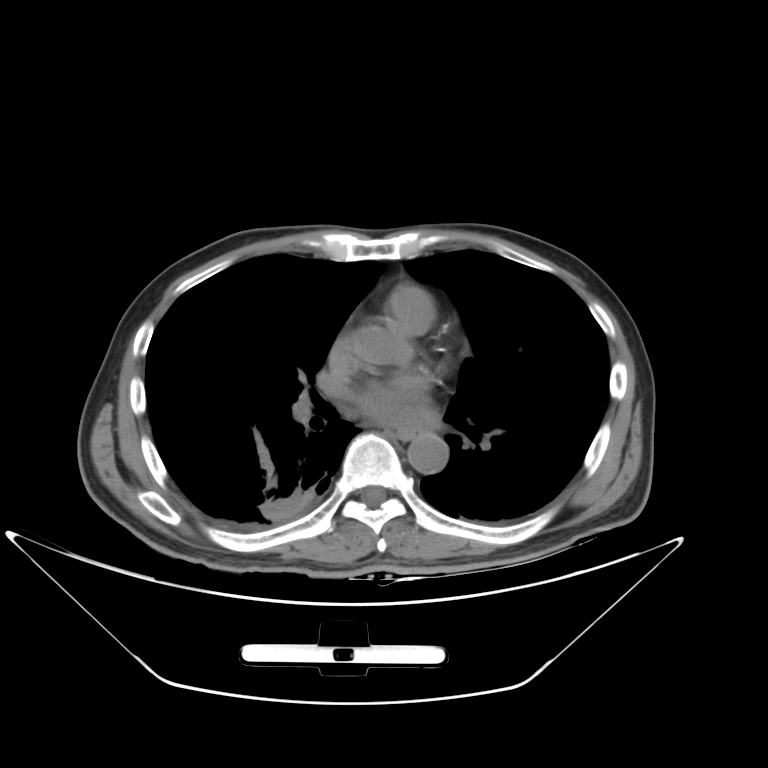 Lower-chest slice from an abdominal CT, just above the liver and spleen; axial view; soft-tissue window, W/L 400/40; 65-year-old male patient
Of the structures in the chest, this dataset labels only the esophagus, the aorta and the inferior vena cava; the heart and lungs have no label. Boxes are (x1, y1, x2, y2) in pixels. The annotated organs in this slice are: esophagus at (393, 428, 422, 440), aorta at (407, 432, 448, 473).